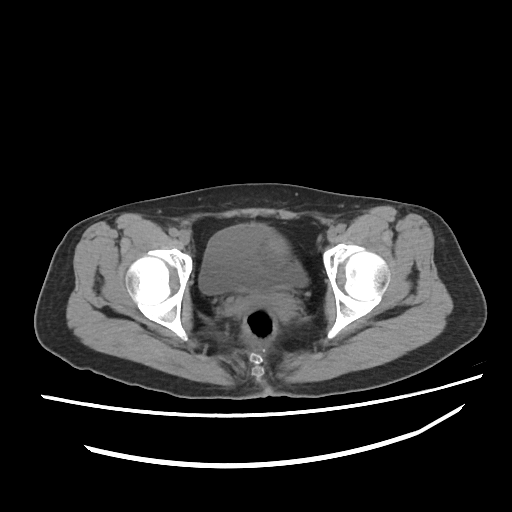
Abdominal CT — axial view
Boxes: x1 y1 x2 y2 (pixel coords, space-separated).
Organ bounding boxes:
- bladder: 197 223 308 294
- prostate/uterus: 262 231 293 268